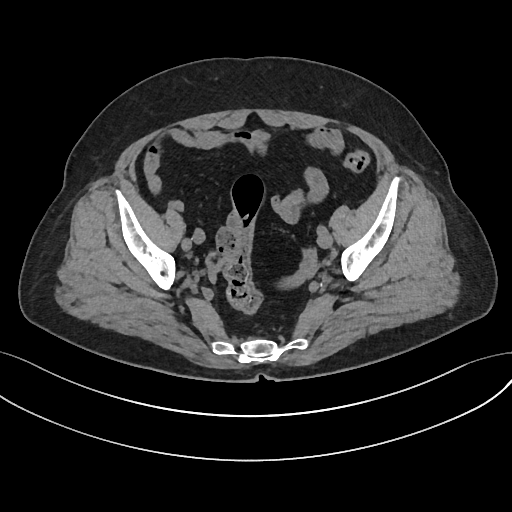

Computed tomography, abdomen — axial plane, index 48 — W/L 400/40 HU — acquired on SOMATOM Force — 15 organs annotated in this scan (counted over the whole 3D scan, not this slice; an organ is boxed only where this slice passes through it)
One row per box, in pixels: columns x1 and y1 give the top-left corner, x2 and y2 the bottom-right.
| organ | x1 | y1 | x2 | y2 |
|---|---|---|---|---|
| prostate/uterus | 283 | 276 | 301 | 286 |